Abdominal CT. axial view. soft-tissue window. 512x512 px
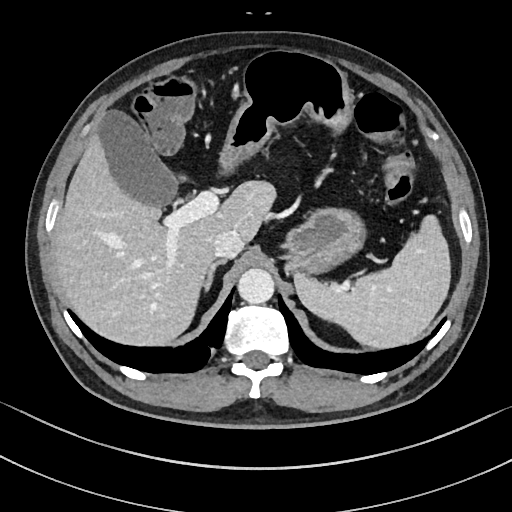
<organs><organ name="spleen" x1="294" y1="214" x2="450" y2="347"/><organ name="gall bladder" x1="98" y1="111" x2="177" y2="206"/><organ name="liver" x1="53" y1="132" x2="275" y2="345"/><organ name="stomach" x1="220" y1="51" x2="365" y2="276"/><organ name="aorta" x1="238" y1="268" x2="274" y2="304"/><organ name="inferior vena cava" x1="213" y1="230" x2="244" y2="257"/><organ name="right adrenal gland" x1="204" y1="259" x2="226" y2="291"/></organs>